CT, abdomen/pelvis — Axial slice 165/251 — soft-tissue window — scan has 15 labeled organs (counted over the whole 3D scan, not this slice; an organ is boxed only where this slice passes through it)
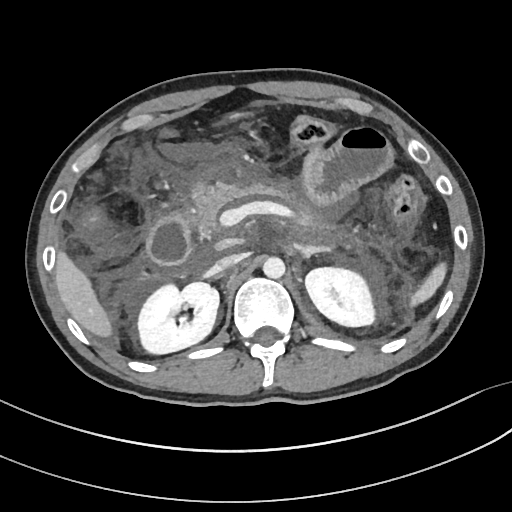

Bounding boxes as [x1, y1, x2, y2] in pixel coordinates. 9 labeled organs on this slice — spleen at [410, 262, 446, 305]; right kidney at [137, 282, 219, 353]; left kidney at [305, 267, 375, 326]; liver at [55, 251, 112, 337]; aorta at [263, 256, 285, 278]; inferior vena cava at [210, 254, 243, 273]; pancreas at [190, 181, 285, 235]; left adrenal gland at [301, 244, 330, 256]; duodenum at [147, 213, 189, 264].